CT, abdomen/pelvis · axial view · acquired on SOMATOM Force
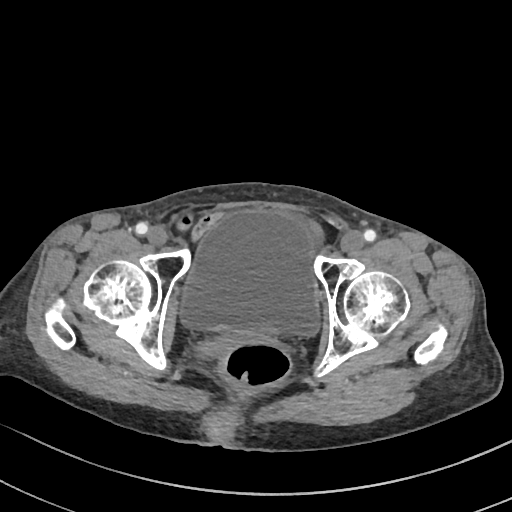
Boxes are (x1, y1, x2, y2) in pixels. 1 labeled organ on this slice — bladder at (181, 211, 318, 335).